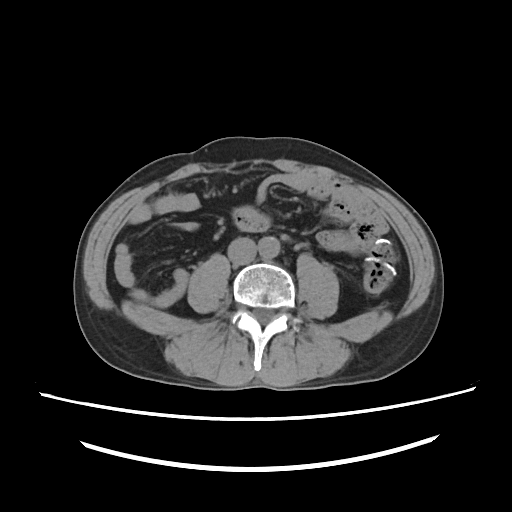
Computed tomography, abdomen. axial plane, index 46. 512x512 px
Box edges are left/top/right/bottom in pixels. The annotated organs in this slice are: inferior vena cava at left=228, top=236, right=257, bottom=264, aorta at left=258, top=238, right=279, bottom=259.